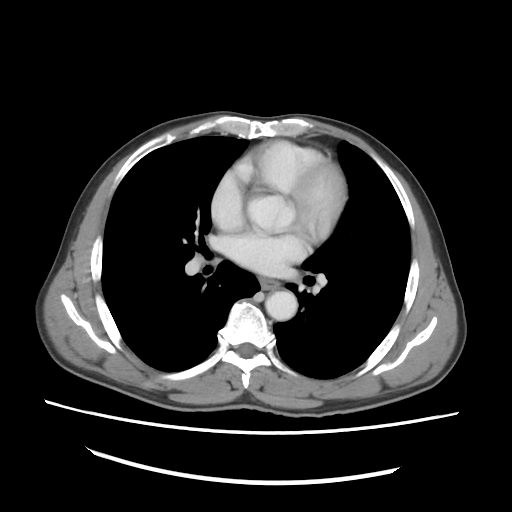

Chest-level CT slice, above the liver and spleen — Axial slice 84/112 — W/L 400/40 HU
At this level of the chest no structure but the esophagus and the aorta has a label in this dataset, and those two are boxed only where they are labeled. Coordinates as <box>x1,y1,x2,y2</box> in pixels. 2 labeled organs on this slice — esophagus at <box>260,278,279,290</box>; aorta at <box>265,291,297,320</box>.